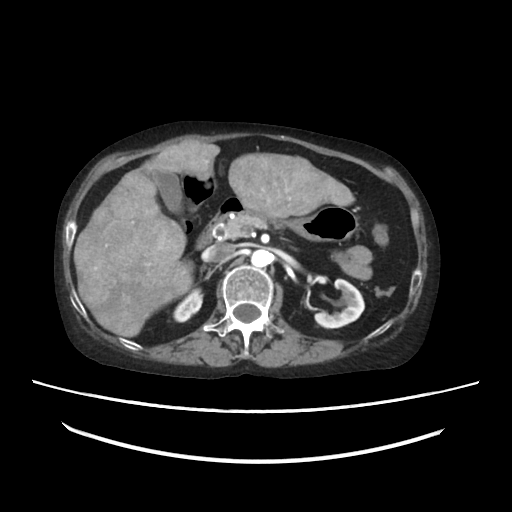 Abdominal CT — Axial slice 60/89 — soft-tissue window (W 400 / L 40) — 512x512 px — 15 organs annotated in this scan (a whole-scan count: organs this slice does not pass through have no box)
Bounding boxes in pixels, one row per box: x1, y1 is the top-left corner and x2, y2 the bottom-right.
| organ | x1 | y1 | x2 | y2 |
|---|---|---|---|---|
| right kidney | 172 | 288 | 202 | 320 |
| left kidney | 314 | 279 | 363 | 327 |
| gall bladder | 152 | 170 | 181 | 212 |
| liver | 72 | 140 | 353 | 337 |
| stomach | 212 | 199 | 354 | 240 |
| aorta | 251 | 250 | 271 | 266 |
| inferior vena cava | 209 | 244 | 233 | 262 |
| pancreas | 217 | 212 | 267 | 237 |
| duodenum | 197 | 218 | 217 | 248 |